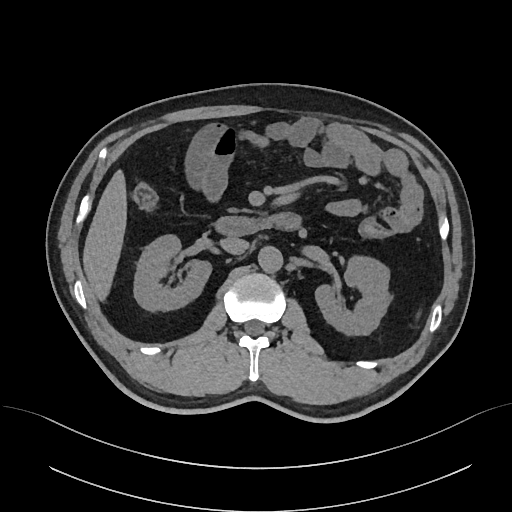
CT abdomen — axial view — 512x512 px
<organs><organ name="right kidney" x1="133" y1="235" x2="211" y2="311"/><organ name="left kidney" x1="315" y1="256" x2="390" y2="335"/><organ name="liver" x1="83" y1="169" x2="126" y2="299"/><organ name="aorta" x1="258" y1="246" x2="282" y2="272"/><organ name="inferior vena cava" x1="221" y1="237" x2="249" y2="254"/><organ name="duodenum" x1="214" y1="212" x2="301" y2="236"/></organs>